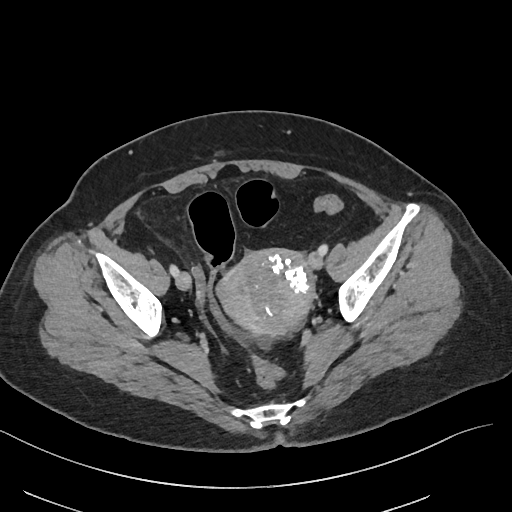

CT, abdomen/pelvis — axial view — abdomen soft-tissue window — 512x512 px
{"organs":{"prostate/uterus":[218,249,313,336]}}